Lower-chest slice from an abdominal CT, just above the liver and spleen; axial view; soft-tissue window, W/L 400/40
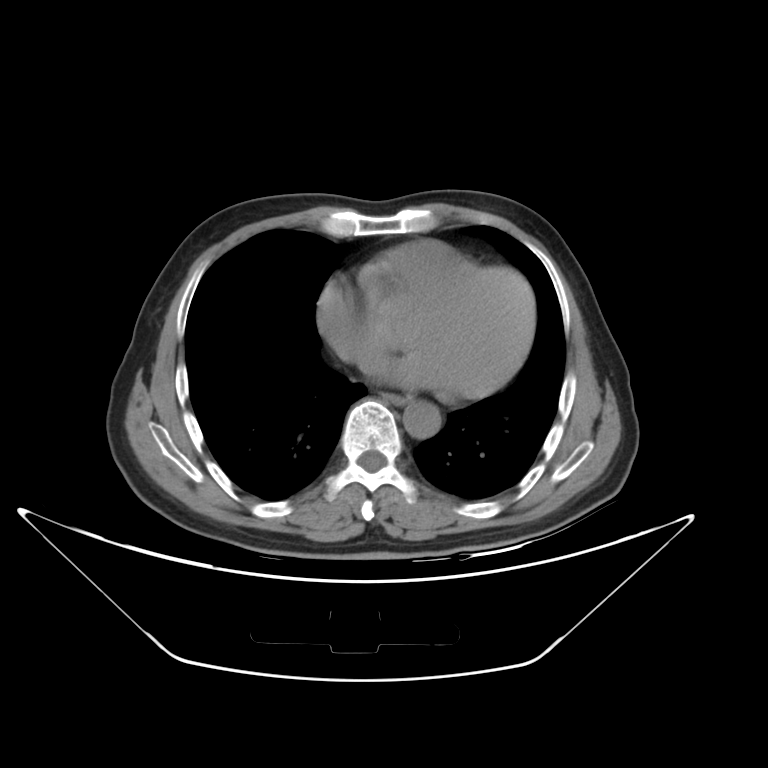

No part of the heart or lungs is labeled in this dataset, so neither has a box here.
Organ boxes in pixel coordinates; each row gives the top-left (x1, y1) and bottom-right (x2, y2) corners.
| organ | x1 | y1 | x2 | y2 |
|---|---|---|---|---|
| aorta | 403 | 402 | 439 | 437 |
| esophagus | 384 | 393 | 409 | 403 |